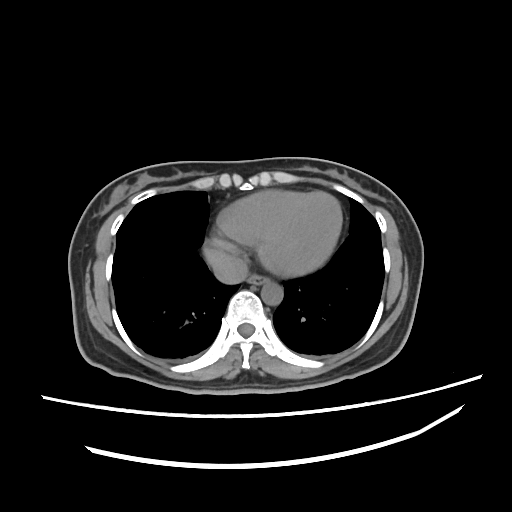

Lower-chest slice from an abdominal CT, just above the liver and spleen — axial view — 43-year-old female patient
The heart and lungs are never labeled in this dataset, so they have no box on this slice. Boxes: x1:y1:x2:y2 in pixels. 3 labeled organs on this slice — esophagus at 247:273:269:283; aorta at 260:280:282:304; inferior vena cava at 209:252:248:283.